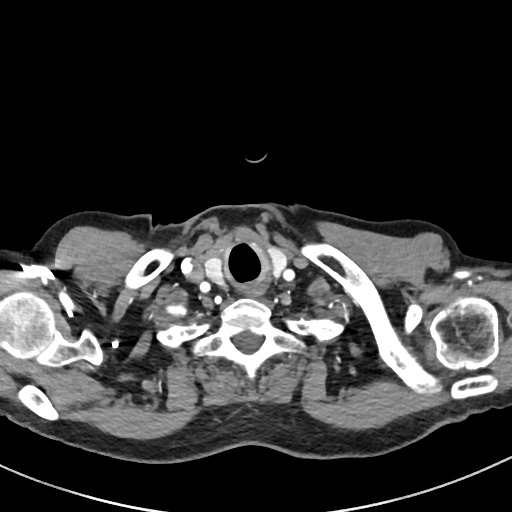 Abdominal CT reaching into the chest; this slice is in the chest. axial view
On a slice this high in the chest, this dataset labels only the esophagus and the aorta, and each is boxed only where it is labeled; the heart, lungs and other chest structures are not labeled.
Bounding boxes as [x1, y1, x2, y2] in pixel coordinates.
Organ bounding boxes:
- esophagus: [243, 282, 265, 297]